CT, abdomen/pelvis; Axial slice 92/107; W/L 400/40 HU
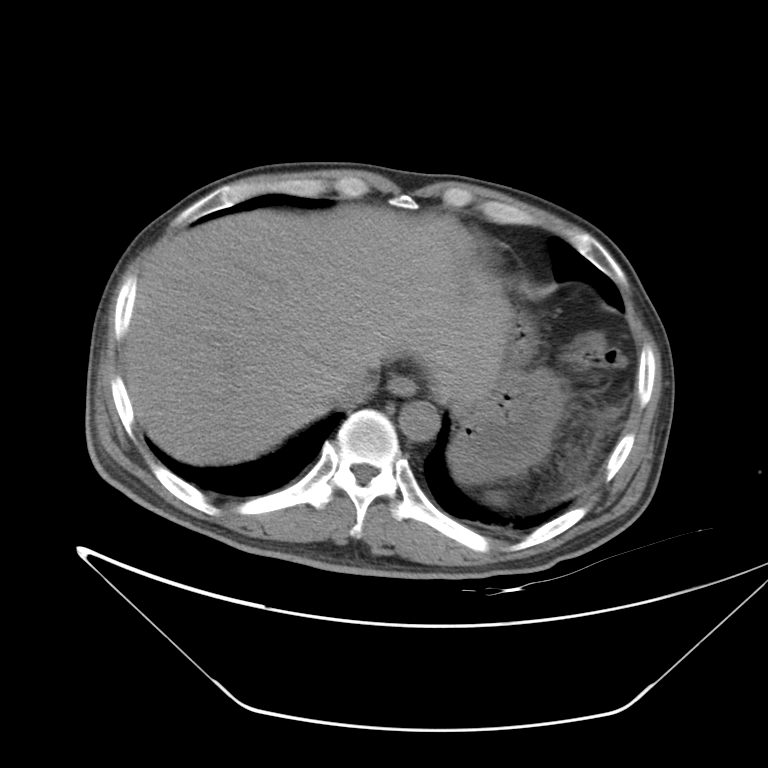 <organs><organ name="aorta" x1="398" y1="401" x2="440" y2="440"/><organ name="esophagus" x1="387" y1="377" x2="414" y2="394"/><organ name="stomach" x1="449" y1="308" x2="565" y2="483"/><organ name="inferior vena cava" x1="327" y1="370" x2="376" y2="406"/><organ name="liver" x1="123" y1="205" x2="511" y2="464"/><organ name="spleen" x1="491" y1="493" x2="502" y2="500"/></organs>